Computed tomography, abdomen. axial view. soft-tissue window
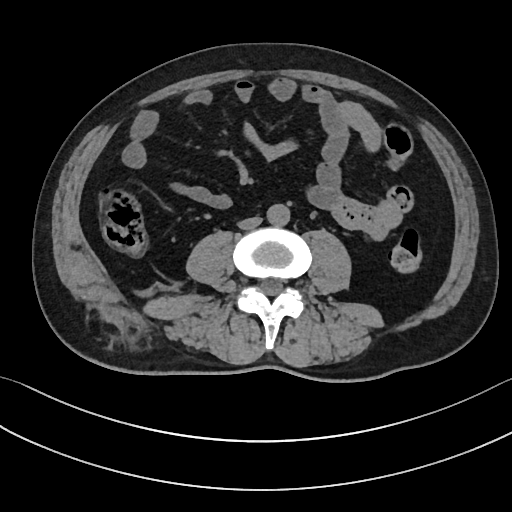

Each box given as x1,y1,x2,y2. The annotated organs in this slice are: aorta at x1=267, y1=204, x2=290, y2=226, inferior vena cava at x1=238, y1=217, x2=261, y2=229.